Computed tomography, abdomen — axial view — 512x512 px
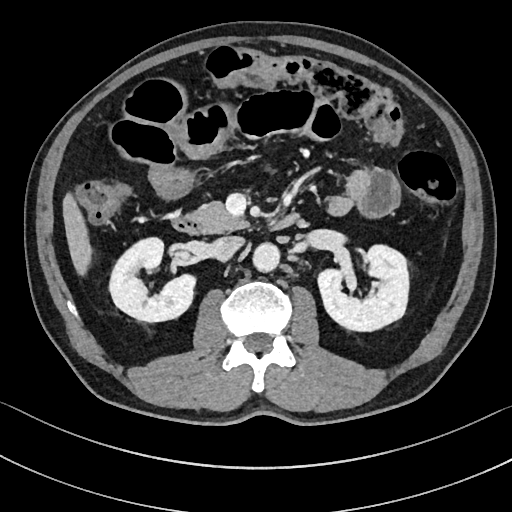

Boxes are (x1, y1, x2, y2) in pixels.
right kidney: (109, 237, 195, 322)
left kidney: (318, 245, 409, 331)
liver: (63, 193, 92, 275)
aorta: (253, 242, 280, 272)
inferior vena cava: (212, 236, 244, 261)
pancreas: (190, 202, 248, 232)
duodenum: (173, 213, 299, 235)